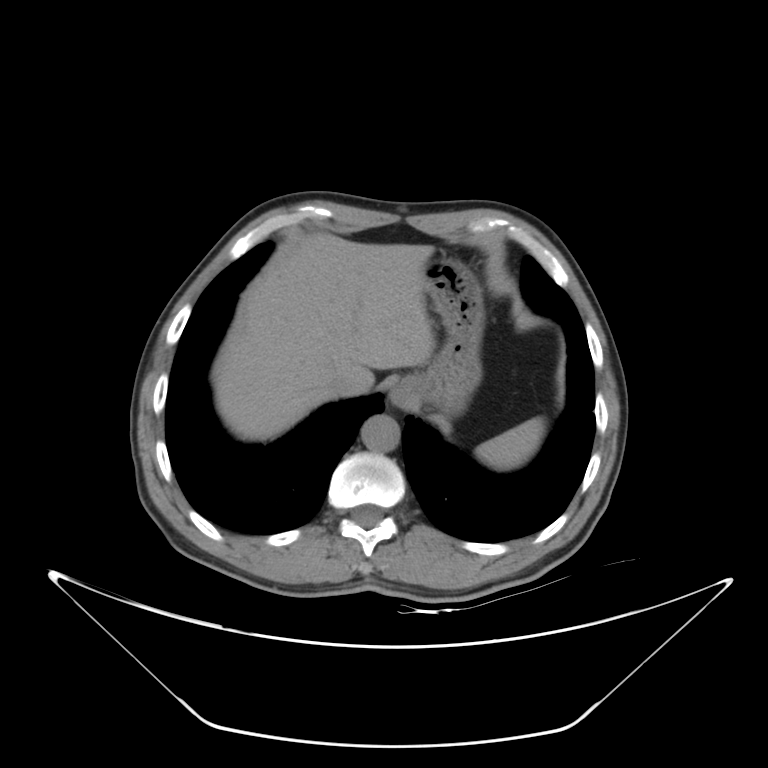

Computed tomography, abdomen; axial view; soft-tissue window
<organs><organ name="spleen" x1="475" y1="417" x2="545" y2="469"/><organ name="esophagus" x1="389" y1="376" x2="415" y2="407"/><organ name="liver" x1="218" y1="233" x2="434" y2="439"/><organ name="stomach" x1="411" y1="257" x2="483" y2="415"/><organ name="aorta" x1="361" y1="415" x2="400" y2="452"/><organ name="inferior vena cava" x1="329" y1="367" x2="359" y2="396"/></organs>